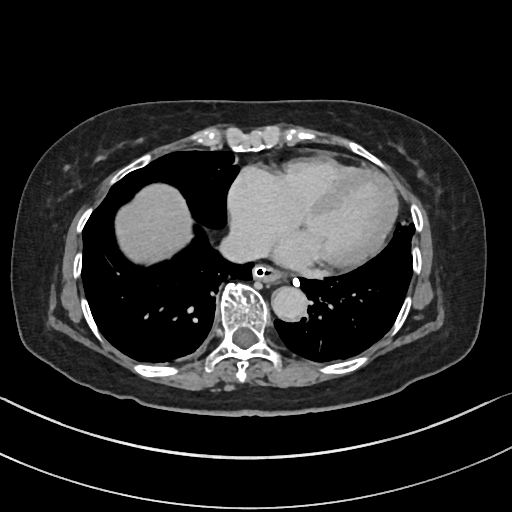

CT, abdomen/pelvis; axial view; 15 organs annotated in this scan (that count is for the whole scan; organs this slice misses have no box)
{"organs":{"aorta":[271,286,307,320],"inferior vena cava":[219,228,265,262],"liver":[115,183,191,263],"esophagus":[253,265,283,283]}}